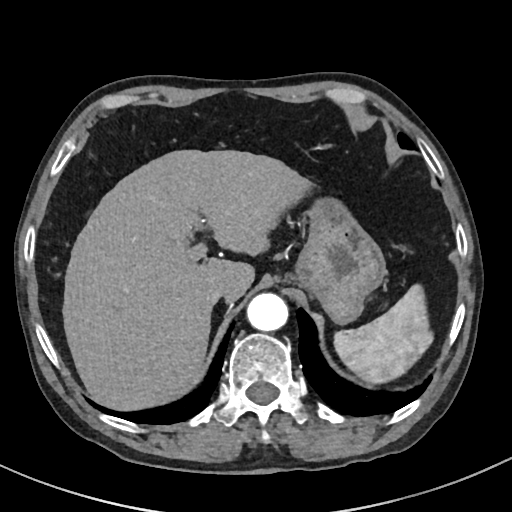

Abdominal CT. Axial slice 188/303. soft-tissue window (W 400 / L 40). 512x512 px
Bounding boxes in pixels, one row per box: x1, y1 is the top-left corner and x2, y2 the bottom-right.
| organ | x1 | y1 | x2 | y2 |
|---|---|---|---|---|
| spleen | 332 | 284 | 431 | 381 |
| liver | 62 | 149 | 310 | 411 |
| stomach | 298 | 197 | 385 | 324 |
| aorta | 247 | 293 | 289 | 331 |
| inferior vena cava | 203 | 285 | 228 | 305 |